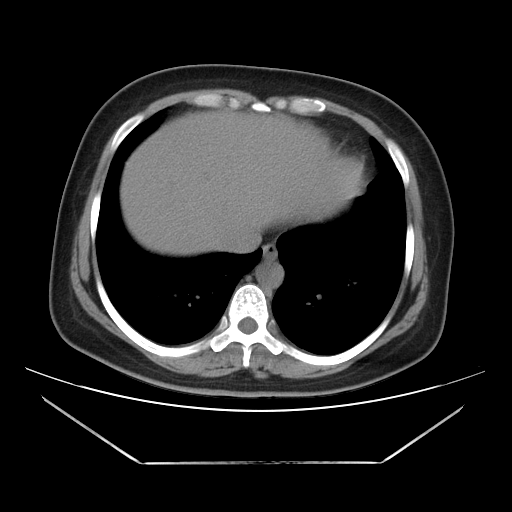 CT abdomen; axial view; 512x512 px
Box edges are left/top/right/bottom in pixels. 4 labeled organs on this slice — liver at left=120, top=109, right=362, bottom=255; aorta at left=255, top=261, right=283, bottom=287; inferior vena cava at left=224, top=228, right=261, bottom=252; esophagus at left=263, top=242, right=277, bottom=260.